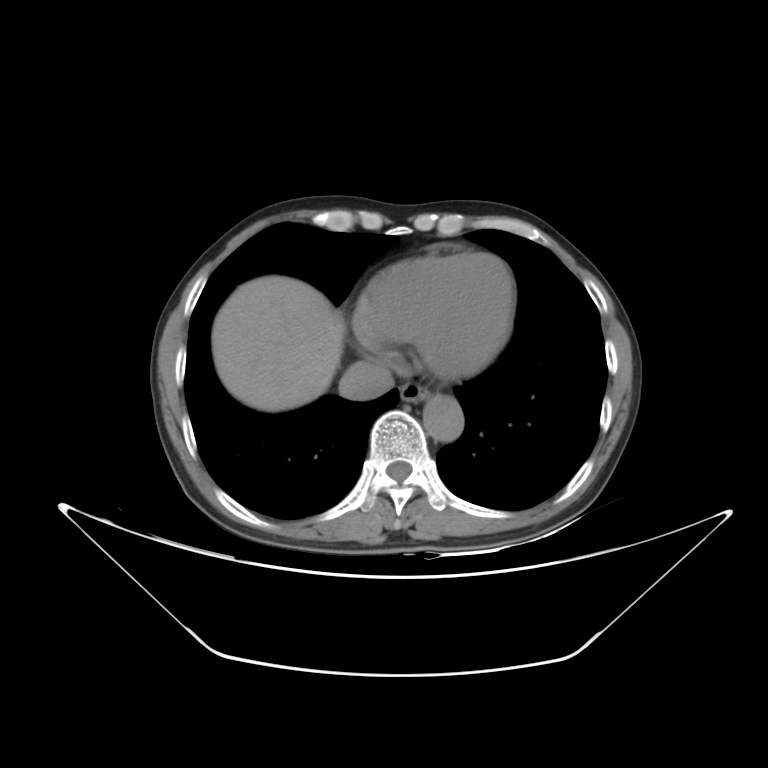
Computed tomography, abdomen. axial view. soft-tissue window (W 400 / L 40). 52-year-old male patient
Boxes: x1:y1:x2:y2 in pixels. The annotated organs in this slice are: esophagus at 400:382:430:403, liver at 211:275:344:411, aorta at 423:395:463:441, inferior vena cava at 338:361:394:400.